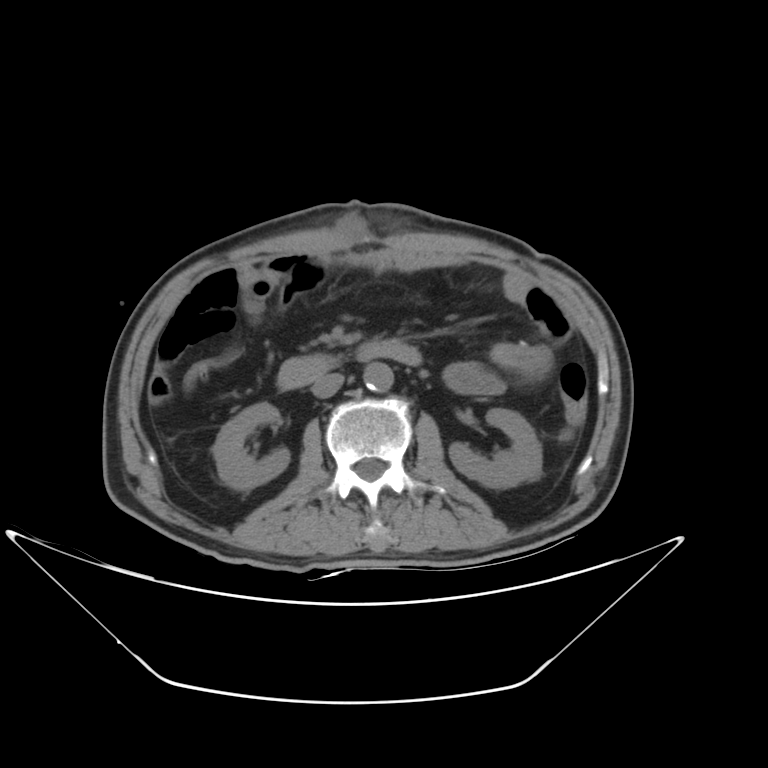
Abdominal CT · axial view · abdomen soft-tissue window · 768x768 px · 15 organs annotated in this scan (a whole-scan count: organs this slice does not pass through have no box)
Boxes: x1:y1:x2:y2 in pixels.
Organ bounding boxes:
- right kidney: 212:403:289:489
- left kidney: 449:408:542:489
- aorta: 364:362:393:392
- inferior vena cava: 312:373:344:397
- duodenum: 277:339:421:389